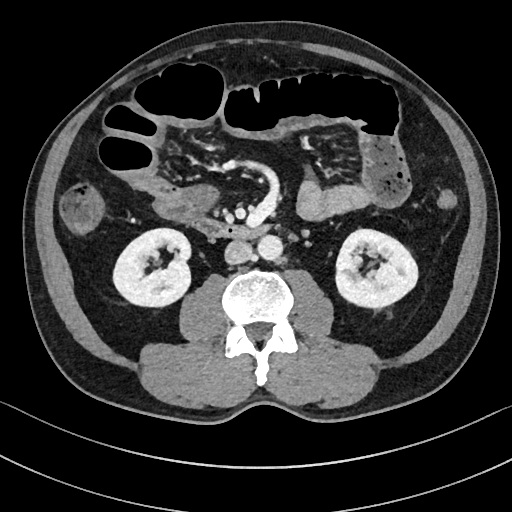
Abdominal CT; axial view; scan has 15 labeled organs (a whole-scan count: organs this slice does not pass through have no box)
One row per box, in pixels: columns x1 and y1 give the top-left corner, x2 and y2 the bottom-right.
| organ | x1 | y1 | x2 | y2 |
|---|---|---|---|---|
| right kidney | 114 | 228 | 191 | 305 |
| left kidney | 335 | 229 | 418 | 307 |
| aorta | 257 | 234 | 282 | 260 |
| inferior vena cava | 224 | 240 | 252 | 264 |
| duodenum | 195 | 219 | 268 | 239 |